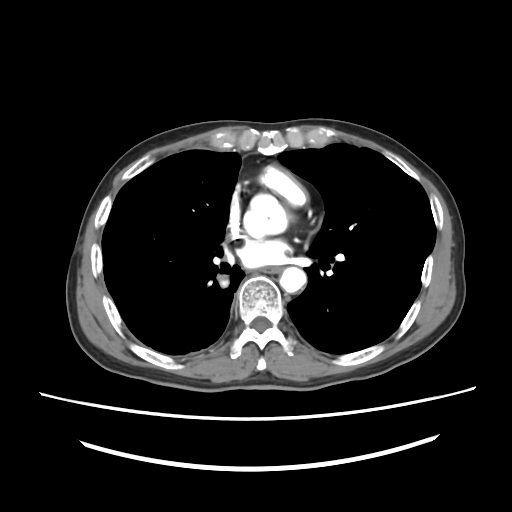 Abdominal CT reaching into the chest; this slice is in the chest. axial view. W/L 400/40 HU. 65-year-old male patient
At this level of the chest no structure but the esophagus and the aorta has a label in this dataset, and those two are boxed only where they are labeled.
Coordinates as <box>x1,y1,x2,y2</box> in pixels.
Organ bounding boxes:
- esophagus: <box>259,266,279,272</box>
- aorta: <box>279,267,306,292</box>